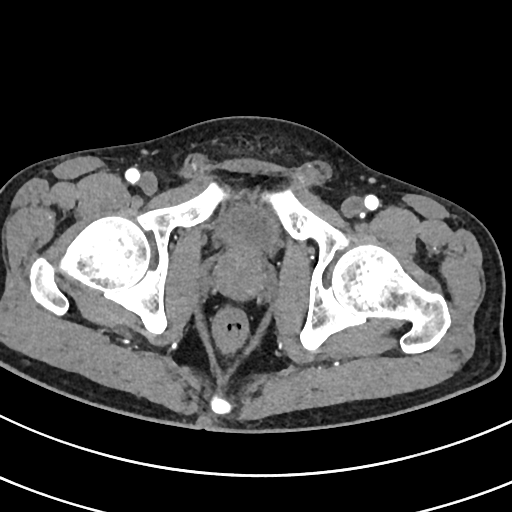

Abdominal CT · axial plane, index 19 · soft-tissue window (W 400 / L 40) · 512x512 px
{"organs":{"bladder":[220,209,278,246],"prostate/uterus":[214,245,264,299]}}